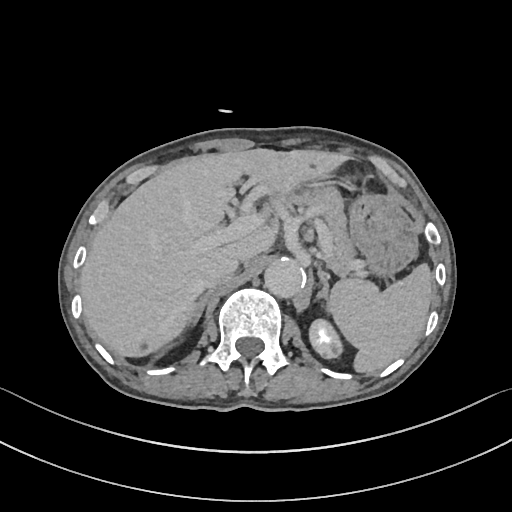

CT, abdomen/pelvis. axial view. 512x512 px. acquired on SOMATOM Force
Boxes: x1:y1:x2:y2 in pixels.
spleen: 330:263:432:373
left kidney: 309:319:342:358
liver: 79:148:347:357
stomach: 349:193:417:276
aorta: 264:257:305:298
inferior vena cava: 200:254:239:289
pancreas: 305:185:354:268
right adrenal gland: 191:290:212:325
left adrenal gland: 317:271:330:312